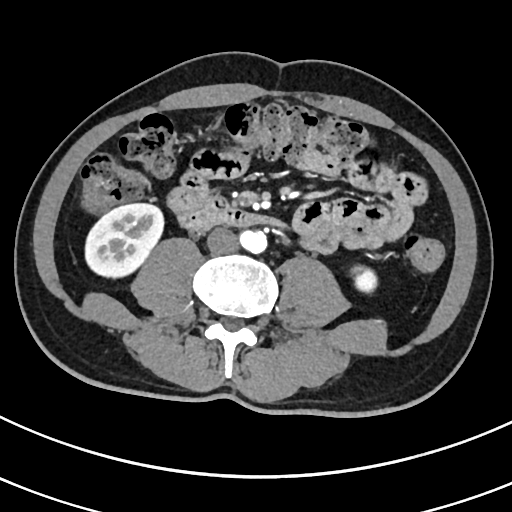
CT, abdomen/pelvis. axial view. soft-tissue window. 15 organs annotated in this scan (counted over the whole 3D scan, not this slice; an organ is boxed only where this slice passes through it)
Each box given as x1,y1,x2,y2.
right kidney: x1=83, y1=203, x2=164, y2=276
left kidney: x1=352, y1=264, x2=379, y2=293
aorta: x1=241, y1=230, x2=267, y2=253
inferior vena cava: x1=206, y1=227, x2=238, y2=254
duodenum: x1=174, y1=198, x2=270, y2=230